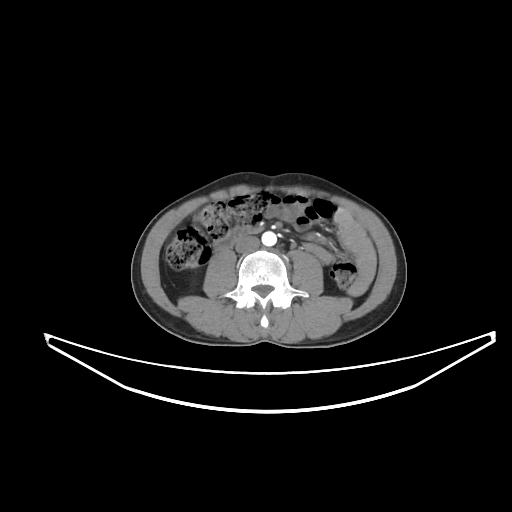

Computed tomography, abdomen — axial view — W/L 400/40 HU — 52-year-old male patient — 15 organs annotated in this scan (that count is for the whole scan; organs this slice misses have no box)
Organ boxes in pixel coordinates; each row gives the top-left (x1, y1) and bottom-right (x2, y2) corners.
| organ | x1 | y1 | x2 | y2 |
|---|---|---|---|---|
| aorta | 262 | 231 | 276 | 245 |
| inferior vena cava | 235 | 236 | 259 | 252 |
| duodenum | 214 | 226 | 263 | 250 |